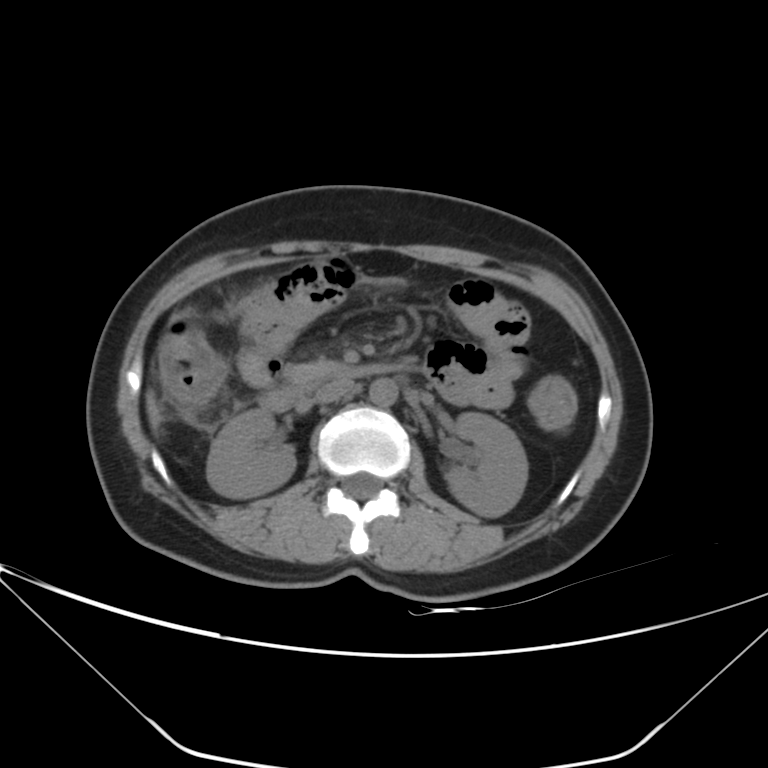 CT, abdomen/pelvis · axial view
Boxes are (x1, y1, x2, y2) in pixels.
right kidney: (206, 409, 295, 498)
left kidney: (445, 412, 528, 517)
liver: (146, 390, 161, 430)
aorta: (370, 378, 397, 407)
inferior vena cava: (313, 379, 353, 403)
pancreas: (286, 360, 342, 385)
duodenum: (258, 363, 405, 411)